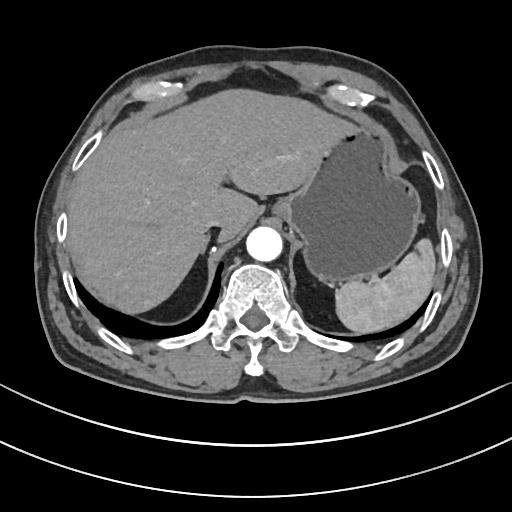

Abdominal CT; axial plane, index 168; acquired on SOMATOM Force; scan has 15 labeled organs (that count is for the whole scan; organs this slice misses have no box)
{"organs":{"spleen":[335,239,435,332],"liver":[67,89,344,313],"stomach":[273,122,421,284],"aorta":[246,227,282,261],"inferior vena cava":[203,221,222,231]}}